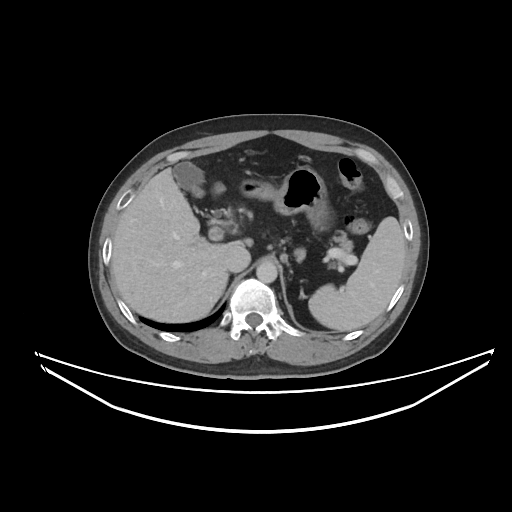

CT, abdomen/pelvis — axial view — soft-tissue window — 512x512 px
Boxes: x1:y1:x2:y2 in pixels. Labeled organs on this slice: spleen at 308:216:406:331, stomach at 240:166:326:228, pancreas at 339:239:352:252, gall bladder at 173:161:204:191, liver at 111:167:252:322, inferior vena cava at 225:244:250:272, aorta at 256:261:277:282.